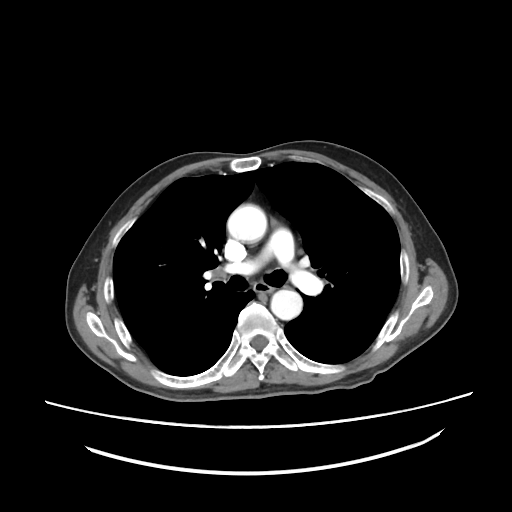

Chest-level slice from an abdominal CT that extends up into the chest · axial view · 512x512 px · 68-year-old male patient
At this level of the chest no structure but the esophagus and the aorta has a label in this dataset, and those two are boxed only where they are labeled.
Boxes are (x1, y1, x2, y2) in pixels.
Organ bounding boxes:
- aorta: (227, 204, 266, 243)
- aorta: (271, 289, 302, 320)
- esophagus: (254, 282, 275, 293)